Abdominal CT · Axial slice 89/97
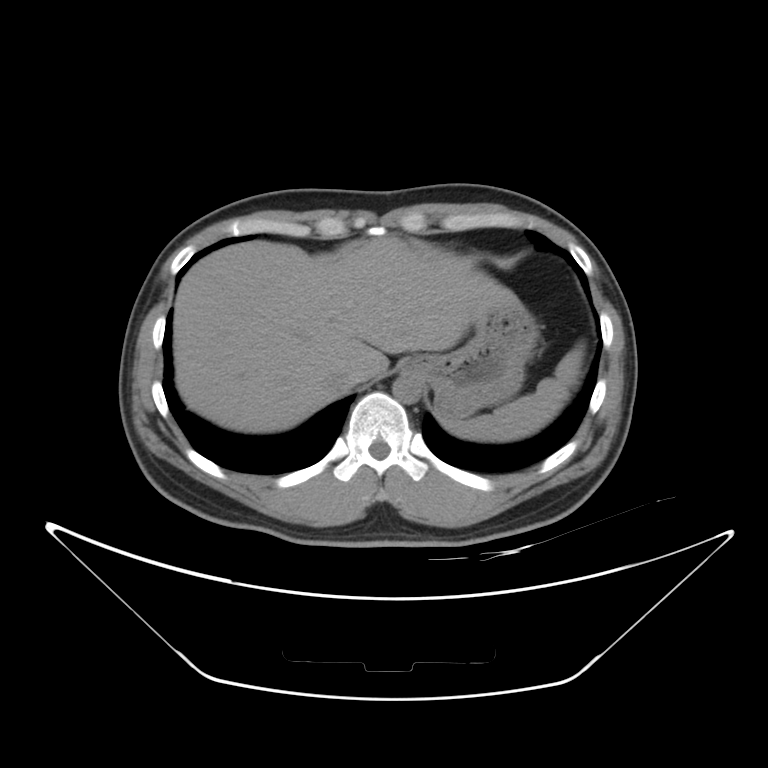
Each box given as x1,y1,x2,y2.
aorta: x1=392, y1=373, x2=422, y2=403
liver: x1=173, y1=237, x2=513, y2=433
stomach: x1=410, y1=296, x2=539, y2=418
spleen: x1=443, y1=343, x2=584, y2=442
inferior vena cava: x1=325, y1=365, x2=354, y2=391